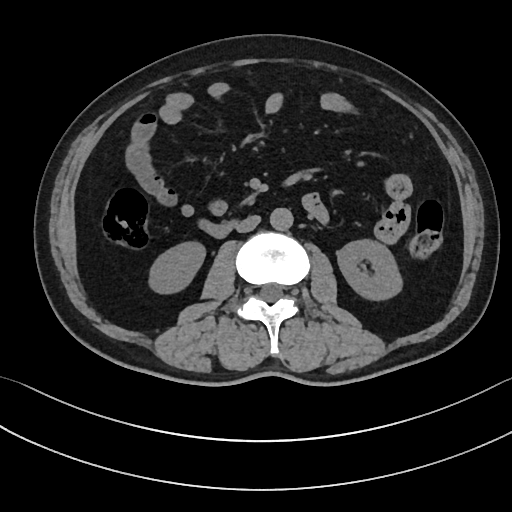

CT, abdomen/pelvis — axial view — abdomen soft-tissue window — 512x512 px — scan has 15 labeled organs (that count is for the whole scan; organs this slice misses have no box)
Boxes are (x1, y1, x2, y2) in pixels.
left kidney: (337, 239, 402, 300)
right kidney: (149, 241, 205, 293)
duodenum: (198, 219, 233, 237)
aorta: (270, 208, 293, 230)
inferior vena cava: (235, 215, 260, 232)